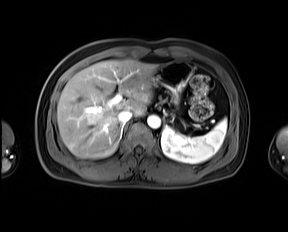 MRI, abdomen · axial plane, index 43 · 288x232 px
{"organs":{"spleen":[161,118,226,163],"liver":[57,59,157,158],"stomach":[154,60,192,103],"aorta":[147,115,160,128],"inferior vena cava":[118,110,132,122]}}